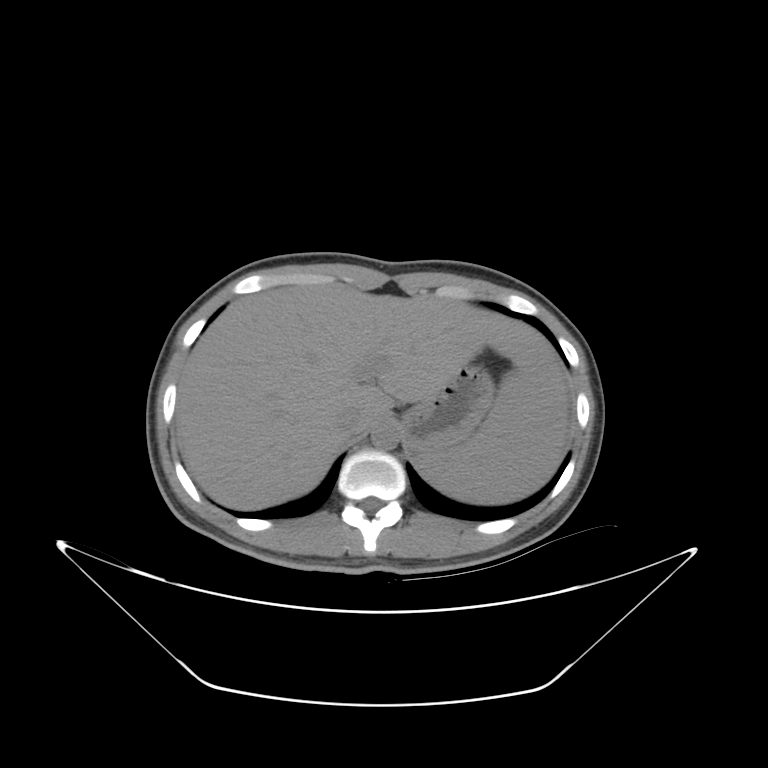
CT, abdomen/pelvis — axial view — 768x768 px — 16-year-old male patient — 15 organs annotated in this scan (a whole-scan count: organs this slice does not pass through have no box)
Coordinates as <box>x1,y1,x2,y2</box> in pixels.
aorta: <box>372,422,399,451</box>
stomach: <box>398,367,490,454</box>
liver: <box>177,284,560,510</box>
spleen: <box>415,346,567,504</box>
inferior vena cava: <box>343,408,364,435</box>